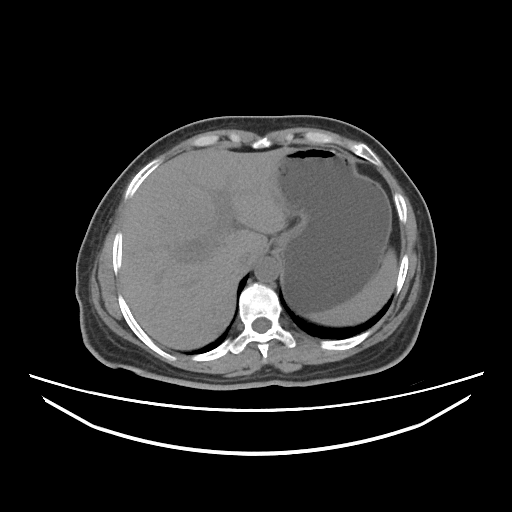 Abdominal CT — Axial slice 85/97 — scan has 15 labeled organs (that count is for the whole scan; organs this slice misses have no box)
Bounding boxes as [x1, y1, x2, y2] in pixel coordinates.
spleen: [309, 248, 397, 325]
liver: [120, 147, 291, 349]
stomach: [274, 147, 391, 315]
aorta: [254, 257, 279, 282]
inferior vena cava: [240, 252, 258, 268]